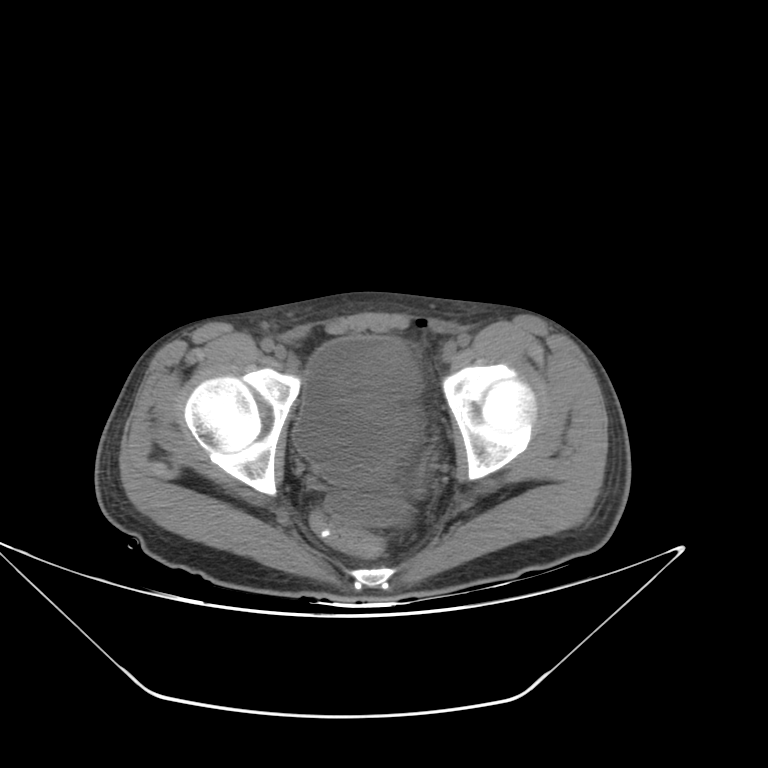

Abdominal CT; Axial slice 20/103; 768x768 px; acquired on Brilliance16
Coordinates as <box>x1,y1,x2,y2</box> in pixels.
bladder: <box>292,337,416,484</box>